CT, abdomen/pelvis; Axial slice 59/68
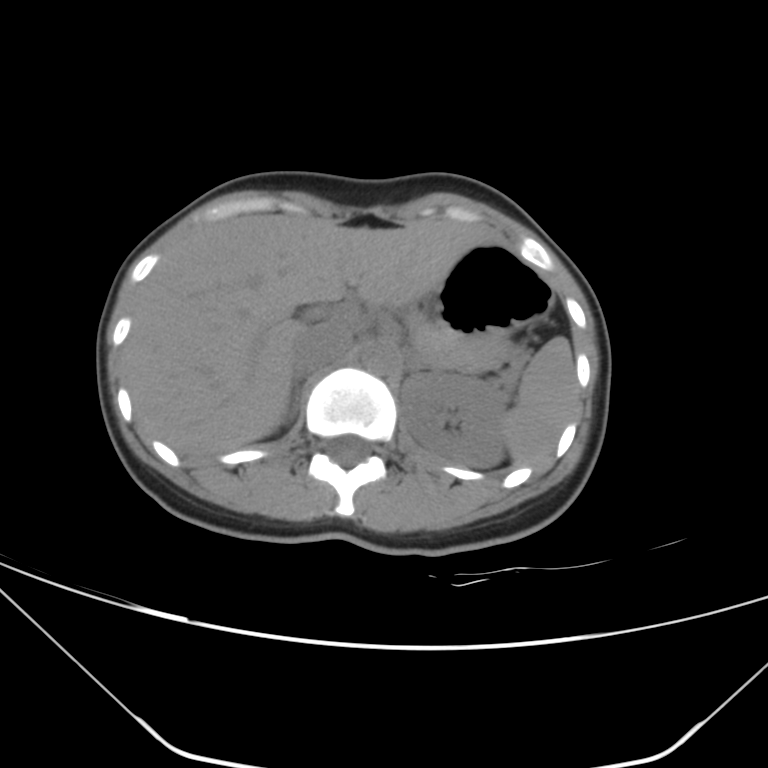
Bounding boxes as [x1, y1, x2, y2] in pixel coordinates. 9 labeled organs on this slice — liver at [125, 214, 505, 458]; left adrenal gland at [406, 346, 431, 375]; right adrenal gland at [283, 378, 299, 425]; pancreas at [407, 311, 512, 372]; inferior vena cava at [290, 323, 353, 377]; left kidney at [400, 373, 506, 468]; spleen at [504, 337, 577, 465]; aorta at [362, 343, 396, 374]; stomach at [433, 242, 553, 342].